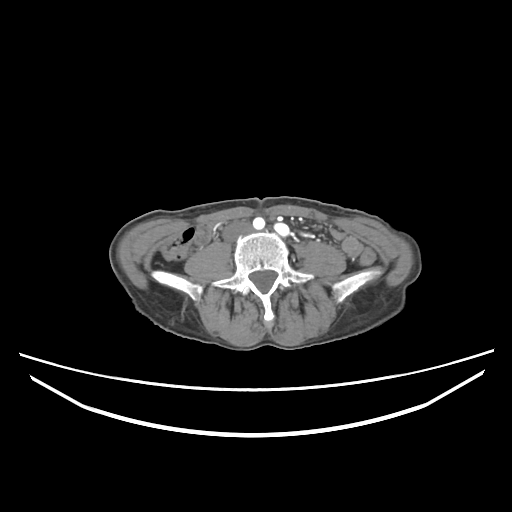
Abdominal CT · Axial slice 39/118 · soft-tissue window
One row per box, in pixels: columns x1 and y1 give the top-left corner, x2 and y2 the bottom-right.
| organ | x1 | y1 | x2 | y2 |
|---|---|---|---|---|
| inferior vena cava | 222 | 221 | 251 | 241 |